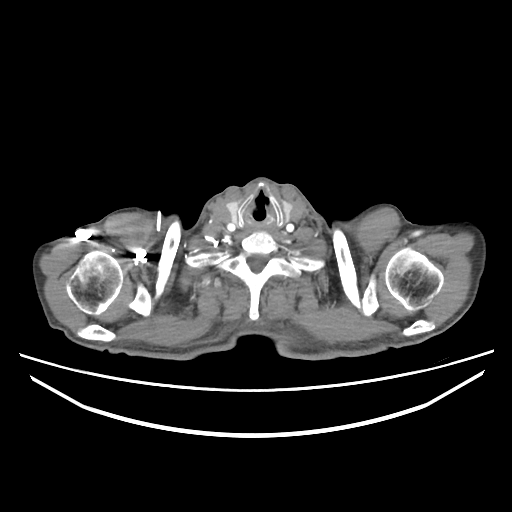 Chest-level slice from an abdominal CT that extends up into the chest · axial view
On a slice this high in the chest, this dataset labels only the esophagus and the aorta, and each is boxed only where it is labeled; the heart, lungs and other chest structures are not labeled.
{"organs":{"esophagus":[251,224,269,232]}}